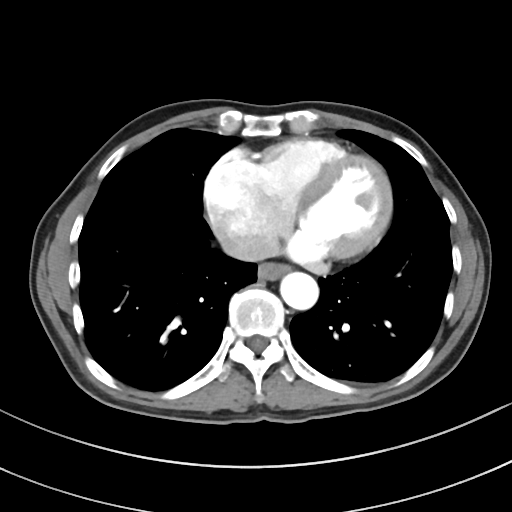

Lower-chest slice from an abdominal CT, just above the liver and spleen. axial plane, index 85. acquired on SOMATOM Force. 15 organs annotated in this scan (that count is for the whole scan; organs this slice misses have no box)
Of the structures in the chest, this dataset labels only the esophagus, the aorta and the inferior vena cava; the heart and lungs have no label.
Bounding boxes in pixels, one row per box: x1, y1 is the top-left corner and x2, y2 the bottom-right.
| organ | x1 | y1 | x2 | y2 |
|---|---|---|---|---|
| aorta | 280 | 272 | 318 | 310 |
| inferior vena cava | 221 | 235 | 266 | 261 |
| esophagus | 258 | 263 | 289 | 280 |